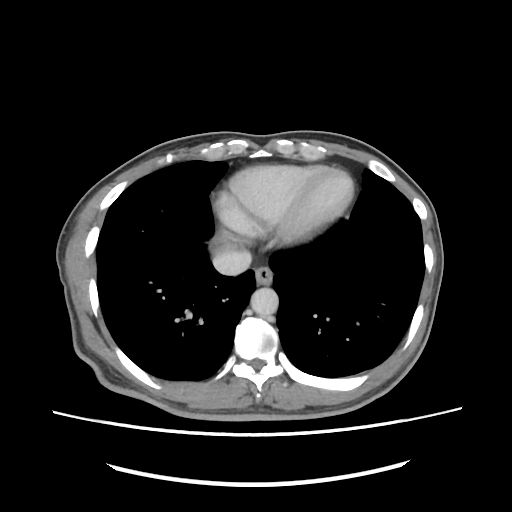

CT of the abdomen reaching into the lower chest, slice just above the liver and spleen. Axial slice 87/123. soft-tissue window, W/L 400/40. 512x512 px
The heart and lungs are never labeled in this dataset, so they have no box on this slice.
{"organs":{"esophagus":[254,266,272,284],"aorta":[250,287,278,316],"inferior vena cava":[213,249,251,275]}}